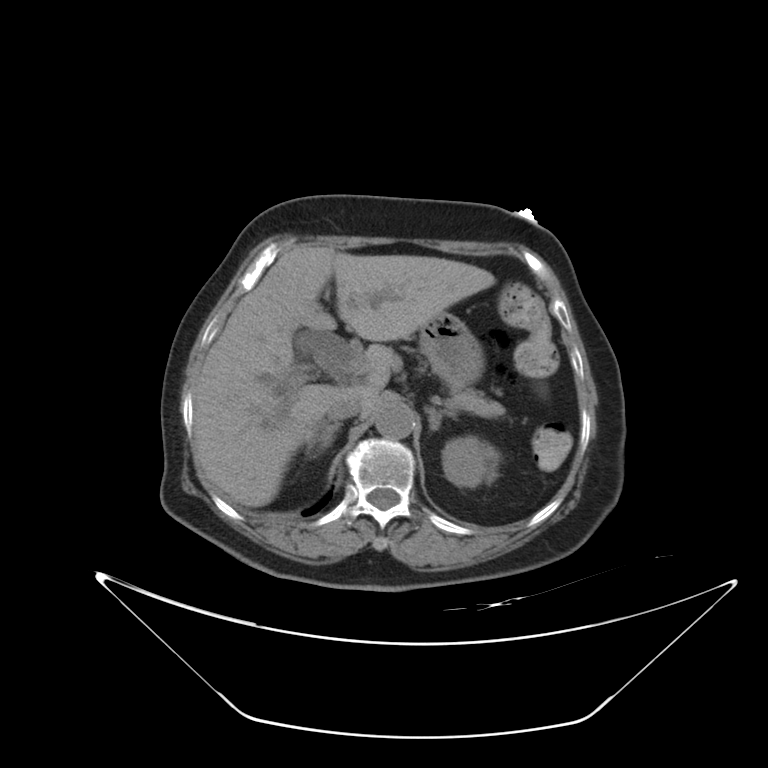

Abdominal CT — Axial slice 69/89 — 78-year-old female patient
One row per box, in pixels: columns x1 and y1 give the top-left corner, x2 and y2 the bottom-right.
| organ | x1 | y1 | x2 | y2 |
|---|---|---|---|---|
| left kidney | 442 | 436 | 500 | 487 |
| liver | 194 | 244 | 495 | 506 |
| stomach | 419 | 311 | 484 | 385 |
| aorta | 376 | 401 | 414 | 438 |
| inferior vena cava | 327 | 395 | 363 | 420 |
| pancreas | 449 | 386 | 505 | 417 |
| right adrenal gland | 306 | 421 | 342 | 454 |
| left adrenal gland | 426 | 407 | 453 | 430 |